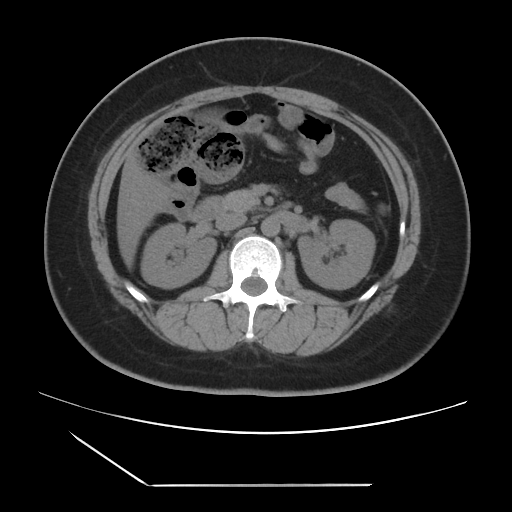

Abdominal CT · axial view · W/L 400/40 HU · SOMATOM Force scanner
One row per box, in pixels: columns x1 and y1 give the top-left corner, x2 and y2 the bottom-right.
| organ | x1 | y1 | x2 | y2 |
|---|---|---|---|---|
| right kidney | 140 | 223 | 216 | 288 |
| left kidney | 297 | 219 | 375 | 289 |
| liver | 117 | 154 | 168 | 268 |
| aorta | 261 | 217 | 280 | 236 |
| inferior vena cava | 215 | 213 | 246 | 231 |
| pancreas | 218 | 189 | 259 | 212 |
| duodenum | 188 | 197 | 221 | 221 |